CT abdomen · axial view · W/L 400/40 HU
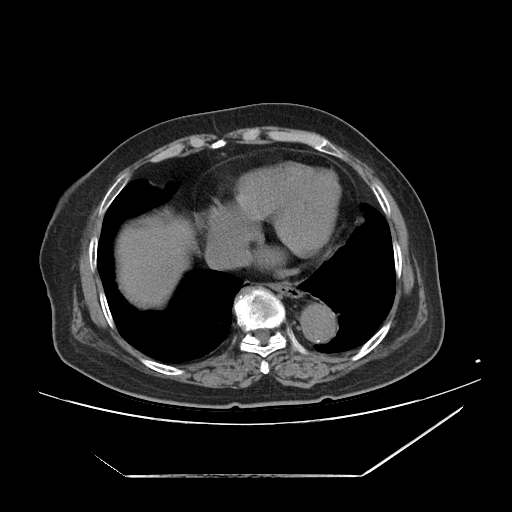

Bounding boxes in pixels, one row per box: x1, y1 is the top-left corner and x2, y2 the bottom-right.
| organ | x1 | y1 | x2 | y2 |
|---|---|---|---|---|
| esophagus | 273 | 282 | 301 | 298 |
| liver | 116 | 214 | 195 | 308 |
| aorta | 300 | 303 | 336 | 342 |
| inferior vena cava | 204 | 238 | 246 | 269 |